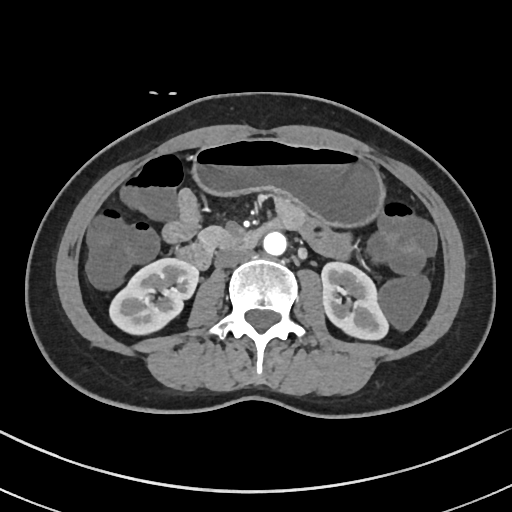
Abdominal CT · axial plane, index 147 · soft-tissue window · scan has 15 labeled organs (counted over the whole 3D scan, not this slice; an organ is boxed only where this slice passes through it)
Boxes: x1:y1:x2:y2 in pixels.
Organ bounding boxes:
- right kidney: 108:258:199:336
- left kidney: 321:261:389:341
- stomach: 192:138:385:227
- aorta: 263:231:287:255
- inferior vena cava: 215:248:249:267
- pancreas: 198:226:230:250
- duodenum: 171:218:282:268